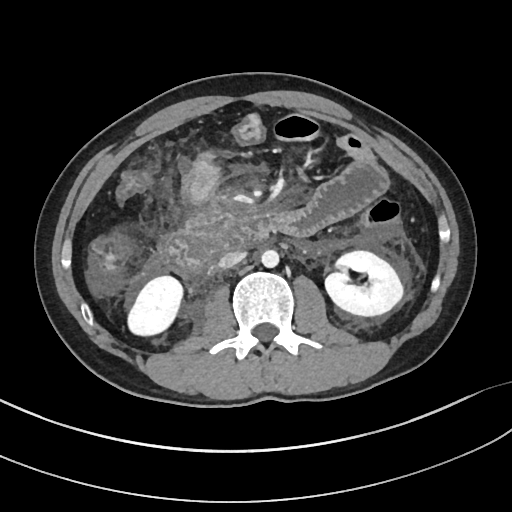

CT abdomen; axial plane, index 136; 512x512 px; acquired on SOMATOM Force
One row per box, in pixels: columns x1 and y1 give the top-left corner, x2 and y2 the bottom-right.
| organ | x1 | y1 | x2 | y2 |
|---|---|---|---|---|
| duodenum | 164 | 214 | 272 | 277 |
| aorta | 261 | 249 | 278 | 268 |
| left kidney | 325 | 250 | 403 | 316 |
| inferior vena cava | 218 | 251 | 245 | 268 |
| right kidney | 128 | 276 | 182 | 335 |